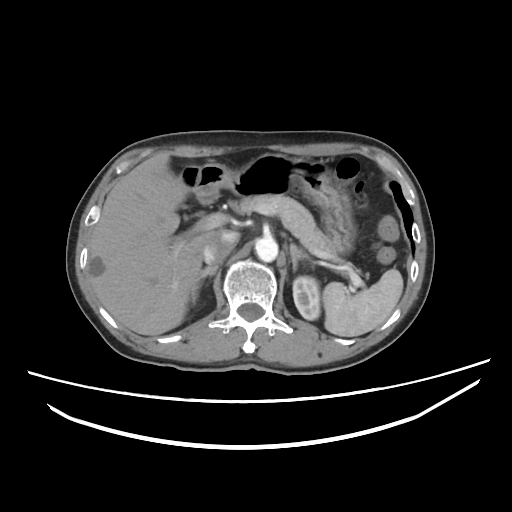
Computed tomography, abdomen. axial view
Coordinates as <box>x1,y1,x2,y2</box> in pixels. 10 labeled organs on this slice — spleen at <box>323,269,403,336</box>; stomach at <box>194,153,356,253</box>; duodenum at <box>178,164,200,191</box>; pancreas at <box>234,196,338,256</box>; left adrenal gland at <box>290,243,309,271</box>; left kidney at <box>292,276,320,320</box>; inferior vena cava at <box>202,230,237,264</box>; liver at <box>88,152,220,335</box>; right adrenal gland at <box>190,265,217,304</box>; aorta at <box>255,238,278,262</box>.